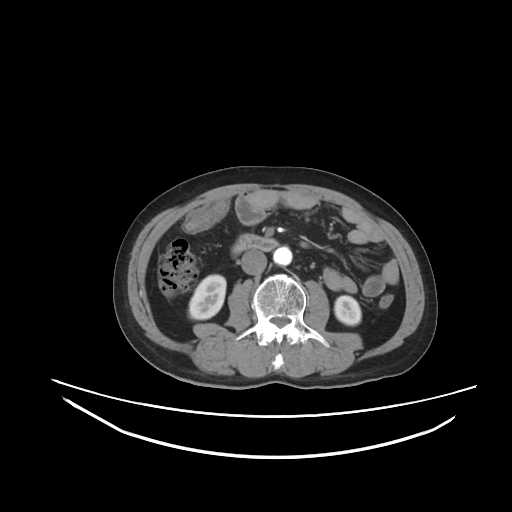
CT, abdomen/pelvis — axial plane, index 58 — soft-tissue window (W 400 / L 40) — Aquilion ONE scanner
Coordinates as <box>x1,y1,x2,y2</box> in pixels.
Organ bounding boxes:
- right kidney: <box>189,275,226,319</box>
- left kidney: <box>334,295,361,325</box>
- aorta: <box>273,246,292,265</box>
- inferior vena cava: <box>241,249,266,274</box>
- duodenum: <box>231,234,278,255</box>